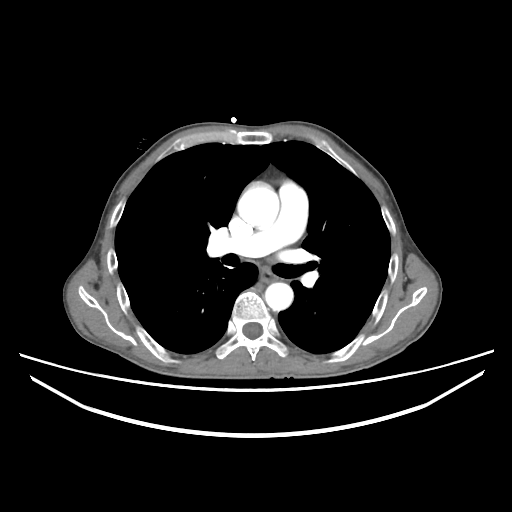

CT of the abdomen extending into the chest, slice through the chest; axial plane, index 92; soft-tissue window
On a slice this high in the chest, this dataset labels only the esophagus and the aorta, and each is boxed only where it is labeled; the heart, lungs and other chest structures are not labeled.
{"organs":{"aorta":[[237,183,279,228],[265,282,293,310]],"esophagus":[261,270,276,281]}}